CT, abdomen/pelvis; axial view; abdomen soft-tissue window; 38-year-old female patient
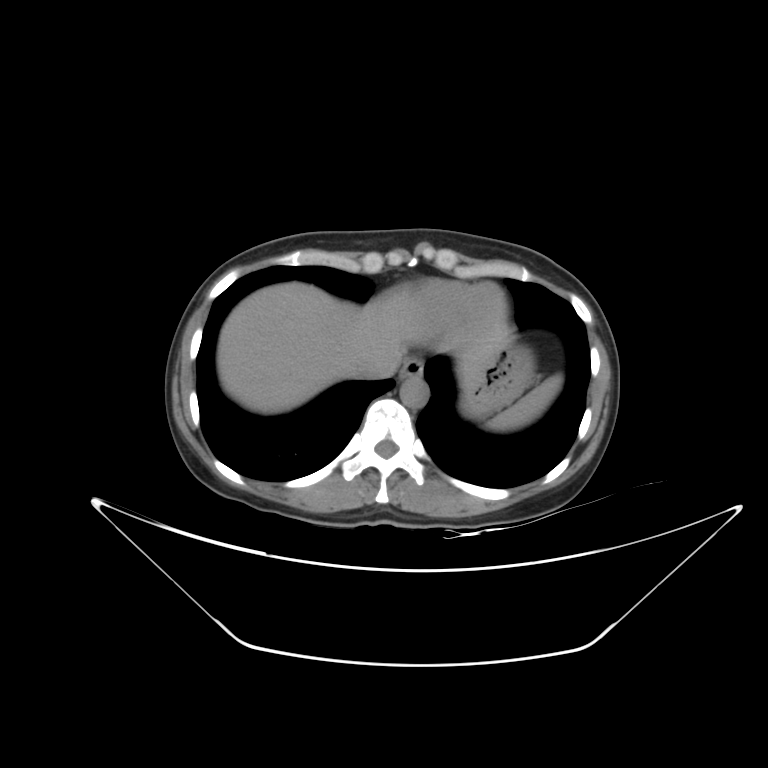
<organs><organ name="spleen" x1="486" y1="374" x2="562" y2="430"/><organ name="esophagus" x1="399" y1="358" x2="423" y2="379"/><organ name="liver" x1="217" y1="282" x2="511" y2="413"/><organ name="stomach" x1="460" y1="346" x2="534" y2="418"/><organ name="aorta" x1="399" y1="376" x2="429" y2="408"/><organ name="inferior vena cava" x1="352" y1="360" x2="383" y2="378"/></organs>